CT, abdomen/pelvis; Axial slice 57/126; 512x512 px; 37-year-old female patient
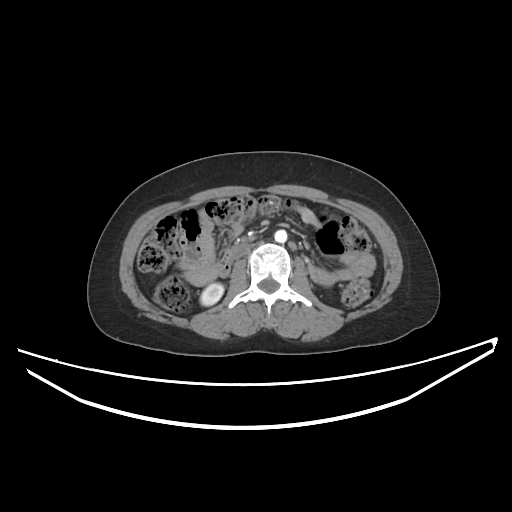 Boxes: x1 y1 x2 y2 (pixel coords, space-separated). Labeled organs on this slice: right kidney at 200 283 223 305, aorta at 274 230 287 242, inferior vena cava at 234 245 251 257, duodenum at 220 248 234 276.